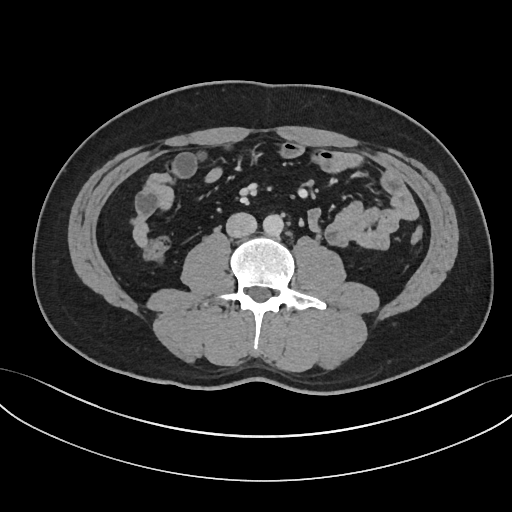

CT, abdomen/pelvis · axial view · SOMATOM Force scanner
Bounding boxes as [x1, y1, x2, y2] in pixel coordinates.
Organ bounding boxes:
- aorta: [263, 214, 283, 236]
- inferior vena cava: [226, 212, 257, 238]